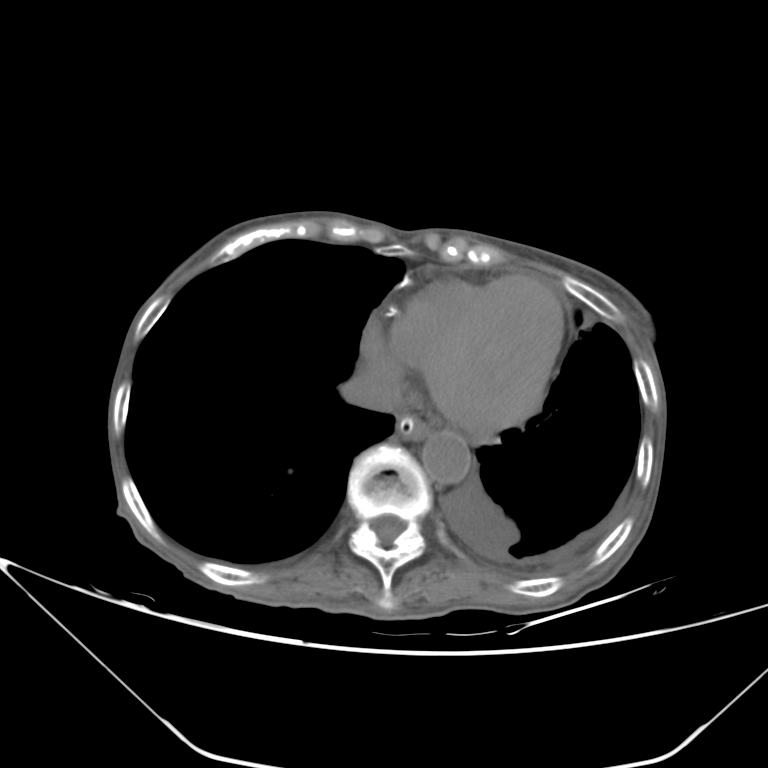
CT of the abdomen reaching into the lower chest, slice just above the liver and spleen; Axial slice 83/88; soft-tissue window; Brilliance16 scanner
Of the structures in the chest, this dataset labels only the esophagus, the aorta and the inferior vena cava; the heart and lungs have no label.
Boxes: x1 y1 x2 y2 (pixel coords, space-separated).
Organ bounding boxes:
- aorta: 422 431 470 483
- inferior vena cava: 341 370 399 411
- esophagus: 396 414 430 439